CT, abdomen/pelvis · axial view · W/L 400/40 HU · 512x512 px · 15 organs annotated in this scan (that count is for the whole scan; organs this slice misses have no box)
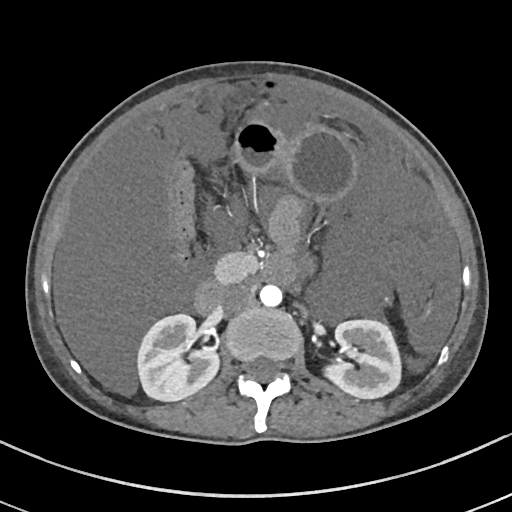 Organ boxes in pixel coordinates; each row gives the top-left (x1, y1) and bottom-right (x2, y2) corners.
| organ | x1 | y1 | x2 | y2 |
|---|---|---|---|---|
| right kidney | 137 | 314 | 219 | 400 |
| left kidney | 324 | 319 | 400 | 398 |
| stomach | 233 | 119 | 358 | 203 |
| aorta | 260 | 284 | 282 | 306 |
| inferior vena cava | 219 | 284 | 252 | 311 |
| pancreas | 214 | 251 | 258 | 283 |
| duodenum | 195 | 258 | 294 | 314 |